Lower-chest slice from an abdominal CT, just above the liver and spleen — axial view — acquired on Brilliance16 — 15 organs annotated in this scan (a whole-scan count: organs this slice does not pass through have no box)
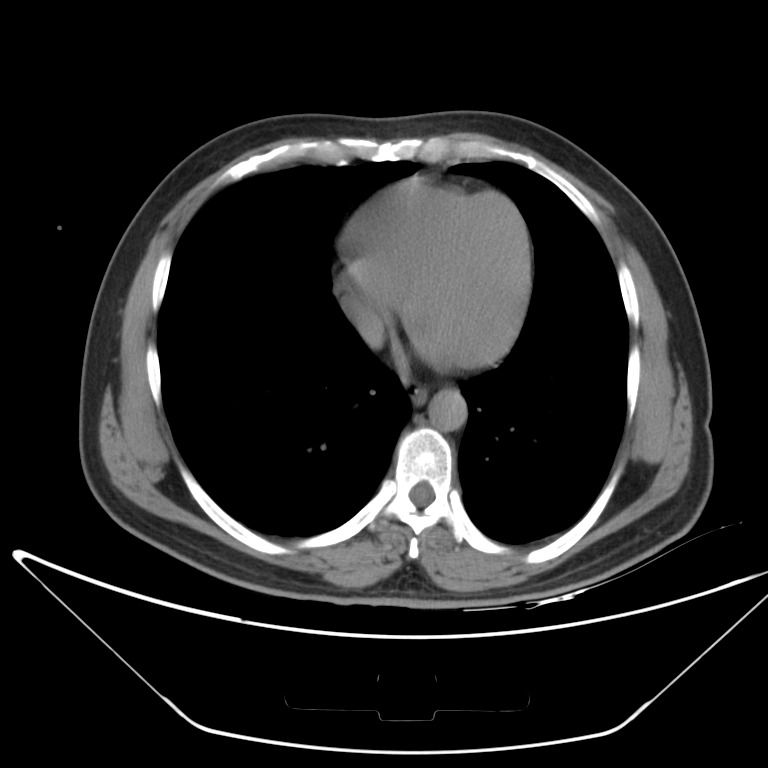
No part of the heart or lungs is labeled in this dataset, so neither has a box here.
Organ boxes in pixel coordinates; each row gives the top-left (x1, y1) and bottom-right (x2, y2) corners.
| organ | x1 | y1 | x2 | y2 |
|---|---|---|---|---|
| esophagus | 411 | 384 | 427 | 404 |
| aorta | 428 | 390 | 468 | 430 |
| inferior vena cava | 350 | 305 | 383 | 341 |